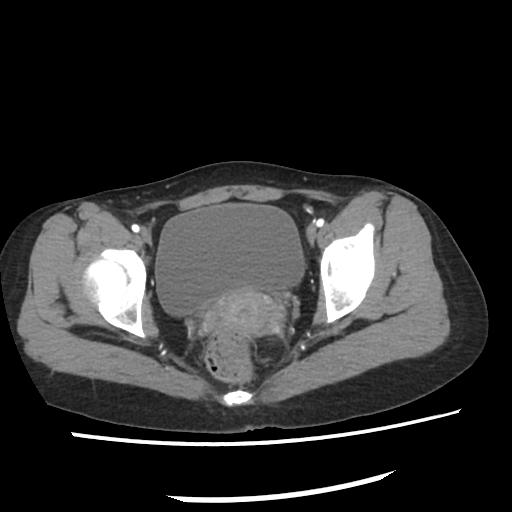

Abdominal CT · axial view · 512x512 px
<organs><organ name="bladder" x1="156" y1="202" x2="303" y2="315"/><organ name="prostate/uterus" x1="216" y1="293" x2="269" y2="334"/></organs>